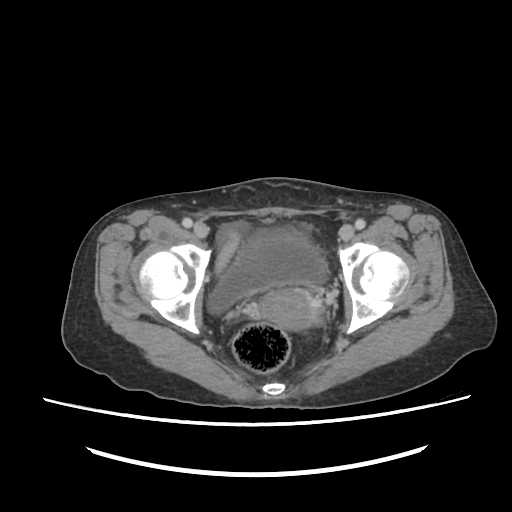

CT, abdomen/pelvis — axial plane, index 20 — Aquilion ONE scanner
{"organs":{"bladder":[205,227,327,314],"prostate/uterus":[256,289,320,328]}}